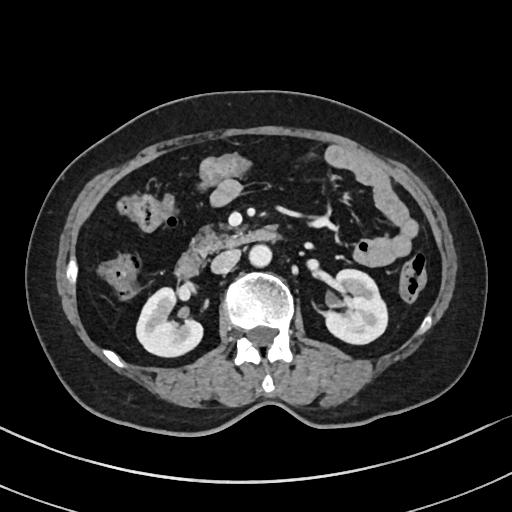 CT abdomen. axial view. soft-tissue window. 512x512 px
{"organs":{"aorta":[249,244,271,266],"right kidney":[136,287,202,356],"duodenum":[175,229,278,276],"inferior vena cava":[211,249,240,273],"pancreas":[192,227,239,254],"left kidney":[325,269,387,344]}}